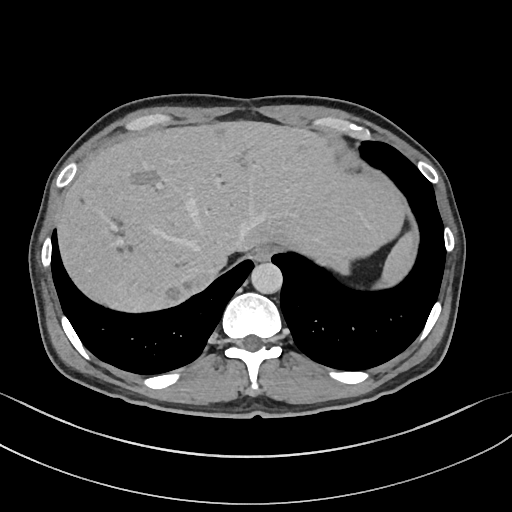 CT abdomen. axial view. SOMATOM Force scanner. scan has 14 labeled organs (counted over the whole 3D scan, not this slice; an organ is boxed only where this slice passes through it)
<organs><organ name="spleen" x1="382" y1="231" x2="413" y2="285"/><organ name="esophagus" x1="252" y1="246" x2="274" y2="261"/><organ name="liver" x1="57" y1="122" x2="403" y2="313"/><organ name="aorta" x1="251" y1="262" x2="282" y2="293"/><organ name="inferior vena cava" x1="197" y1="262" x2="222" y2="283"/></organs>